CT, abdomen/pelvis · axial view · abdomen soft-tissue window · 15 organs annotated in this scan (counted over the whole 3D scan, not this slice; an organ is boxed only where this slice passes through it)
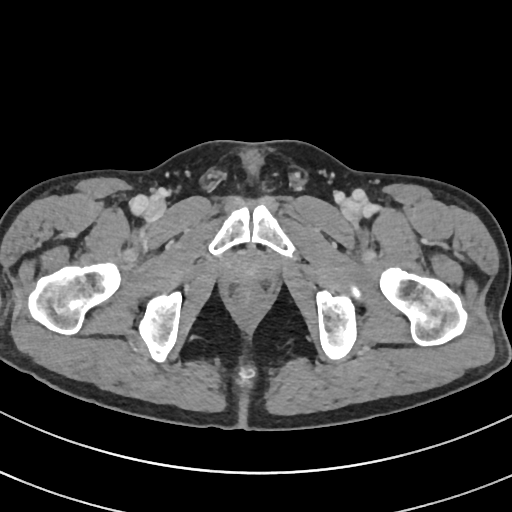 <organs><organ name="prostate/uterus" x1="232" y1="252" x2="267" y2="283"/></organs>